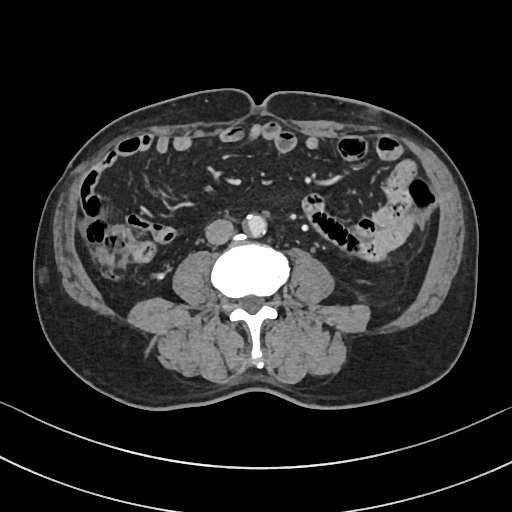
CT, abdomen/pelvis — axial view — scan has 14 labeled organs (counted over the whole 3D scan, not this slice; an organ is boxed only where this slice passes through it)
Box edges are left/top/right/bottom in pixels.
Organ bounding boxes:
- aorta: left=244, top=214, right=266, bottom=236
- inferior vena cava: left=205, top=219, right=233, bottom=244